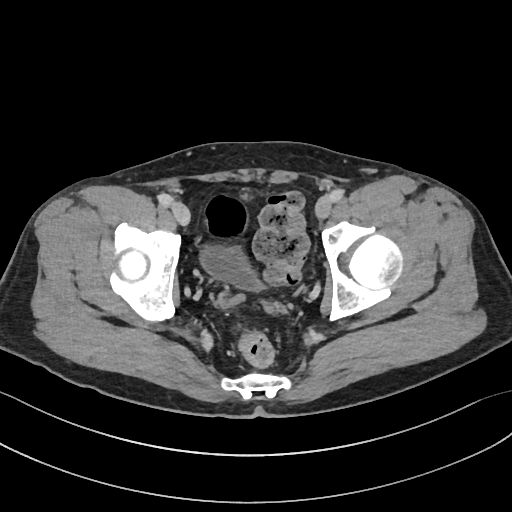
Computed tomography, abdomen; axial view; 512x512 px; scan has 14 labeled organs (a whole-scan count: organs this slice does not pass through have no box)
Bounding boxes as [x1, y1, x2, y2] in pixel coordinates.
bladder: [200, 244, 266, 291]